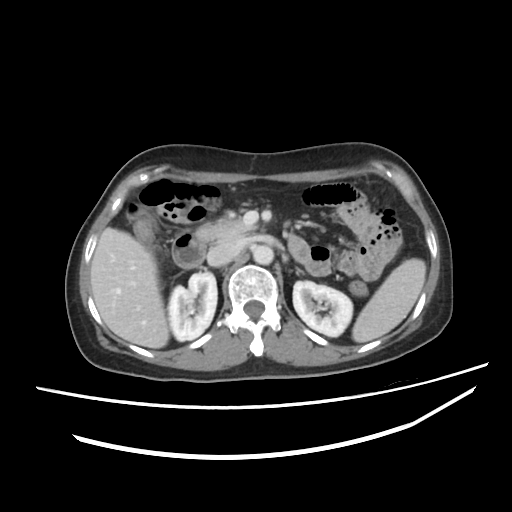 Abdominal CT; axial plane, index 63; abdomen soft-tissue window; scan has 15 labeled organs (counted over the whole 3D scan, not this slice; an organ is boxed only where this slice passes through it)
Box edges are left/top/right/bottom in pixels. The annotated organs in this slice are: spleen at left=352, top=258, right=426, bottom=342, right kidney at left=168, top=272, right=217, bottom=341, left kidney at left=293, top=281, right=352, bottom=336, liver at left=90, top=227, right=168, bottom=348, aorta at left=252, top=245, right=273, bottom=264, inferior vena cava at left=207, top=241, right=240, bottom=266, pancreas at left=196, top=217, right=255, bottom=242, left adrenal gland at left=297, top=268, right=302, bottom=272, duodenum at left=172, top=232, right=206, bottom=268.